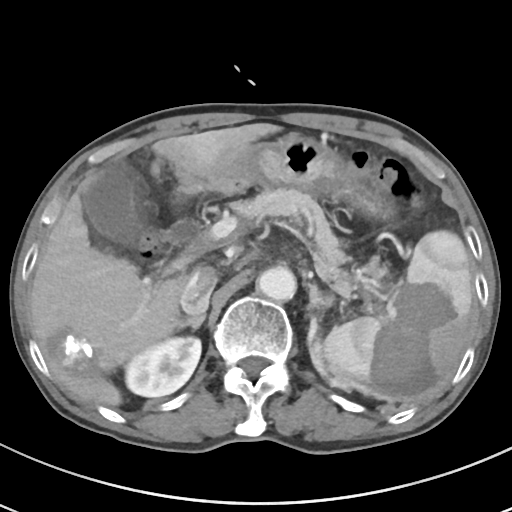
Abdominal CT. axial view. abdomen soft-tissue window. 512x512 px
{"organs":{"spleen":[311,230,473,401],"right kidney":[125,337,201,397],"gall bladder":[83,164,142,246],"liver":[30,123,280,406],"stomach":[209,134,393,394],"aorta":[257,266,296,301],"inferior vena cava":[179,267,216,314],"pancreas":[230,187,387,297],"right adrenal gland":[178,312,205,329],"left adrenal gland":[309,283,334,308]}}